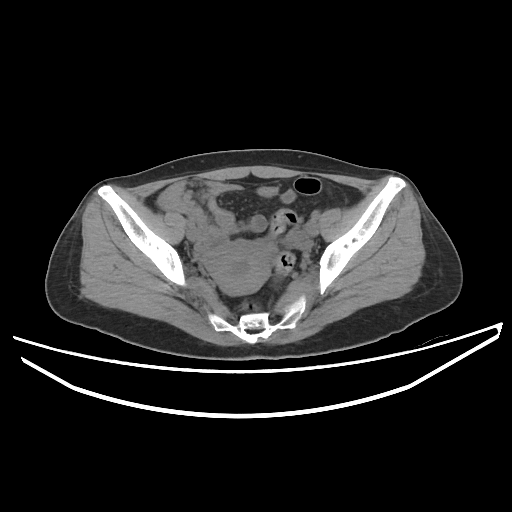

CT, abdomen/pelvis; axial view; soft-tissue window (W 400 / L 40); 50-year-old female patient; Aquilion ONE scanner
Boxes are (x1, y1, x2, y2) in pixels.
Organ bounding boxes:
- prostate/uterus: (206, 240, 271, 294)